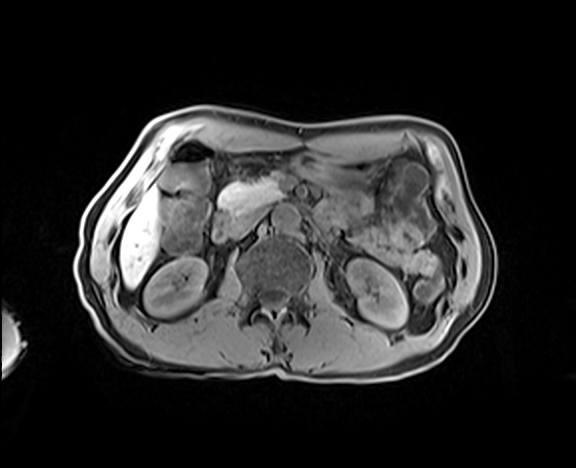 Abdominal MR · Axial slice 21/72 · Prisma scanner
Coordinates as <box>x1,y1,x2,y2</box> in pixels. 8 labeled organs on this slice — inferior vena cava at <box>229,210,264,238</box>; pancreas at <box>217,178,280,214</box>; liver at <box>120,187,158,287</box>; left kidney at <box>347,259,407,327</box>; aorta at <box>272,205,299,231</box>; stomach at <box>290,153,367,191</box>; right kidney at <box>144,257,206,315</box>; duodenum at <box>212,214,232,242</box>.